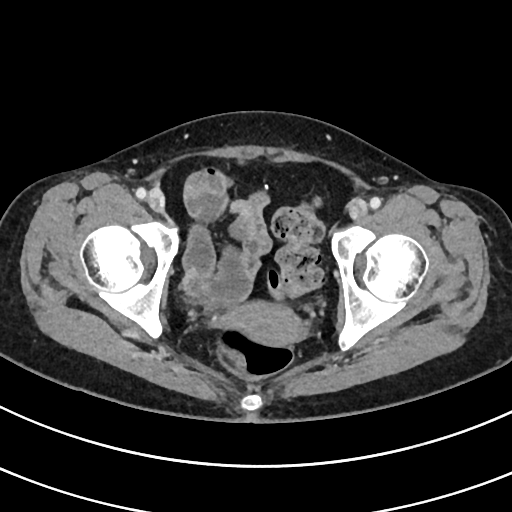

CT, abdomen/pelvis; axial view; soft-tissue window (W 400 / L 40)
Coordinates as <box>x1,y1,x2,y2</box> in pixels. Labeled organs on this slice: bladder at <box>183,296,225,303</box>, prostate/uterus at <box>224,301,304,345</box>.